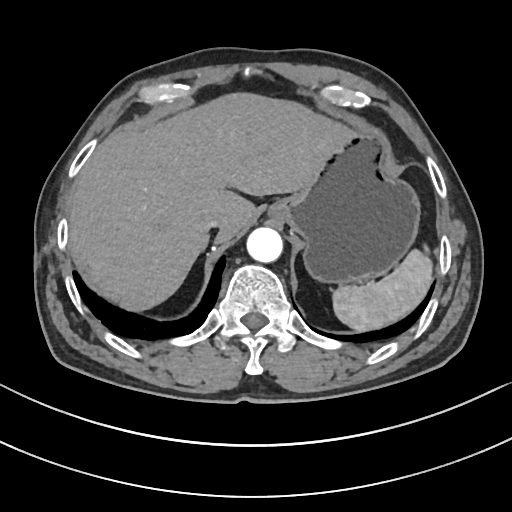

CT, abdomen/pelvis · axial view · soft-tissue window (W 400 / L 40) · SOMATOM Force scanner
{"organs":{"aorta":[247,227,283,263],"spleen":[330,248,431,330],"liver":[68,94,345,309],"stomach":[268,130,420,284],"inferior vena cava":[203,219,220,231]}}